Abdominal CT. axial plane, index 71. 512x512 px
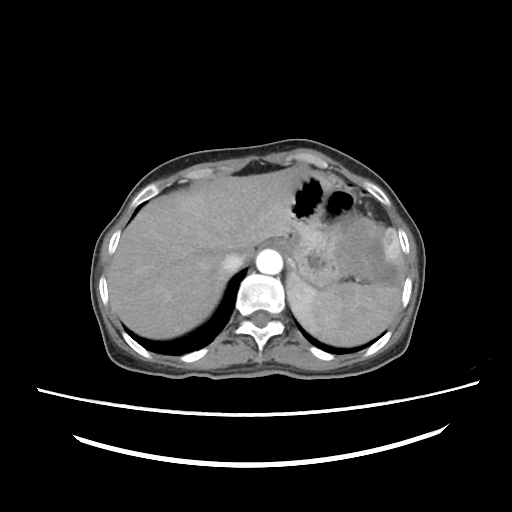

{"organs":{"spleen":[285,228,402,347],"esophagus":[259,238,279,251],"liver":[107,167,306,337],"stomach":[274,173,403,291],"aorta":[257,249,283,275],"inferior vena cava":[222,251,244,273]}}